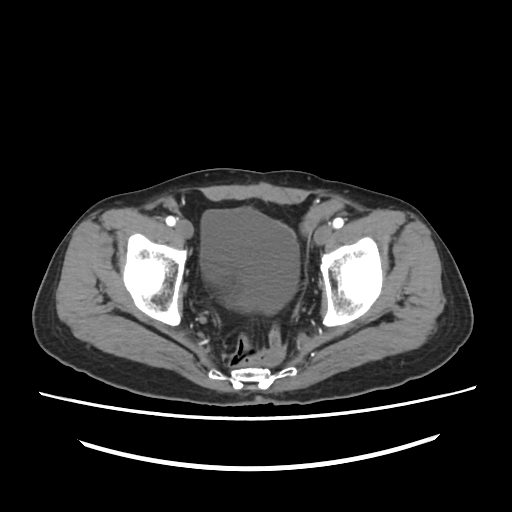
Abdominal CT. Axial slice 23/134. abdomen soft-tissue window. scan has 15 labeled organs (that count is for the whole scan; organs this slice misses have no box)
Boxes: x1 y1 x2 y2 (pixel coords, space-separated).
bladder: 200 208 299 313